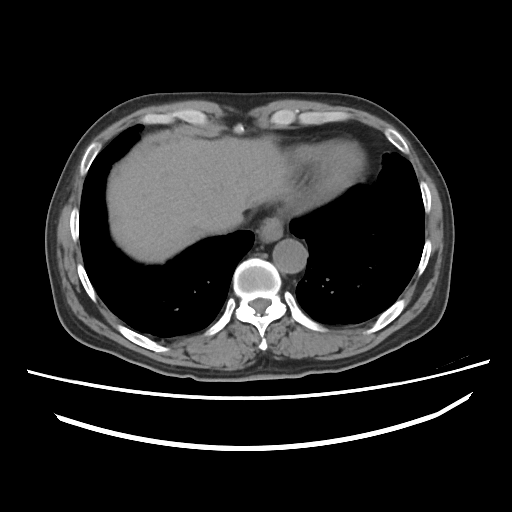
Abdominal CT. axial view. abdomen soft-tissue window. Aquilion ONE scanner. scan has 15 labeled organs (that count is for the whole scan; organs this slice misses have no box)
Boxes: x1 y1 x2 y2 (pixel coords, space-separated). 4 labeled organs on this slice — esophagus at 258 218 282 241; liver at 107 136 291 262; aorta at 273 238 307 273; inferior vena cava at 206 218 236 233.